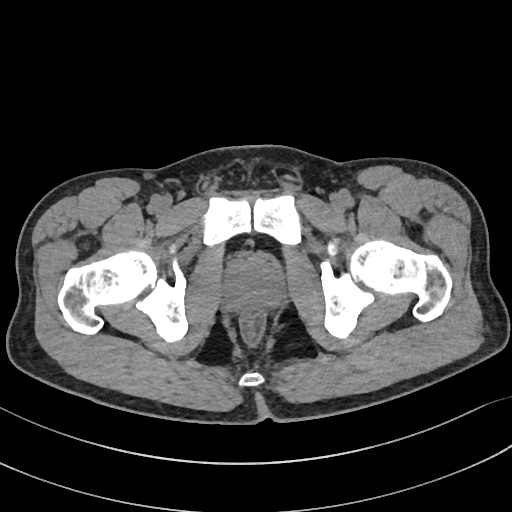
Abdominal CT — axial view — soft-tissue window — scan has 15 labeled organs (that count is for the whole scan; organs this slice misses have no box)
Coordinates as <box>x1,y1,x2,y2</box> in pixels.
Organ bounding boxes:
- prostate/uterus: <box>225,256,284,310</box>